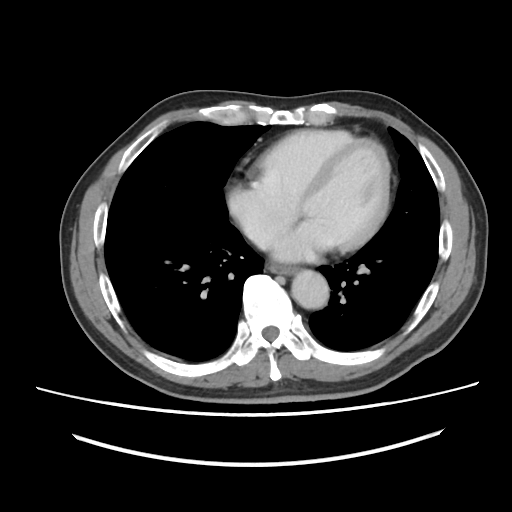
CT of the abdomen reaching into the lower chest, slice just above the liver and spleen; axial plane, index 88; 512x512 px
The heart and lungs are never labeled in this dataset, so they have no box on this slice.
<organs><organ name="esophagus" x1="270" y1="266" x2="295" y2="274"/><organ name="aorta" x1="291" y1="270" x2="329" y2="308"/></organs>